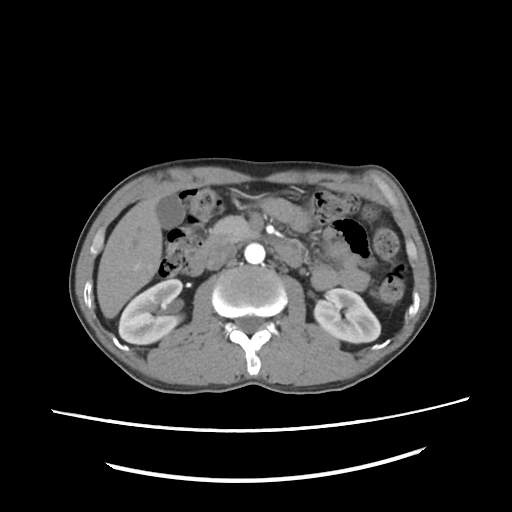
CT abdomen; axial view; 55-year-old male patient
<organs><organ name="pancreas" x1="211" y1="194" x2="269" y2="237"/><organ name="duodenum" x1="190" y1="233" x2="301" y2="274"/><organ name="aorta" x1="243" y1="242" x2="265" y2="264"/><organ name="liver" x1="97" y1="191" x2="170" y2="318"/><organ name="left kidney" x1="314" y1="288" x2="380" y2="343"/><organ name="inferior vena cava" x1="205" y1="244" x2="236" y2="270"/><organ name="gall bladder" x1="154" y1="194" x2="183" y2="227"/><organ name="right kidney" x1="118" y1="278" x2="183" y2="345"/></organs>